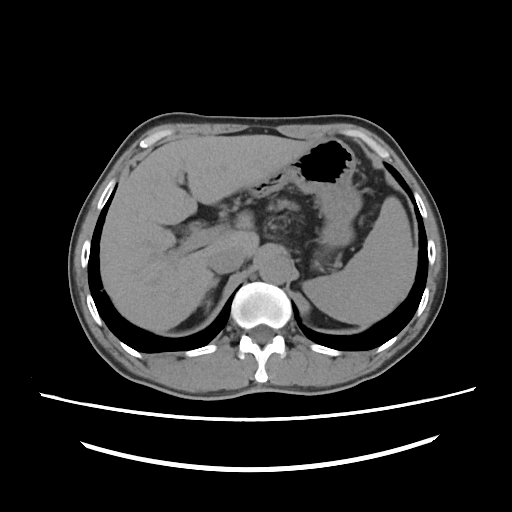 Computed tomography, abdomen · axial plane, index 71 · abdomen soft-tissue window · 512x512 px
Coordinates as <box>x1,y1,x2,y2</box> in pixels. 7 labeled organs on this slice — spleen at <box>303,196,417,327</box>; liver at <box>101,135,317,331</box>; stomach at <box>252,137,359,245</box>; aorta at <box>258,254,290,283</box>; inferior vena cava at <box>207,246,244,274</box>; pancreas at <box>268,200,286,208</box>; right adrenal gland at <box>204,278,219,312</box>.